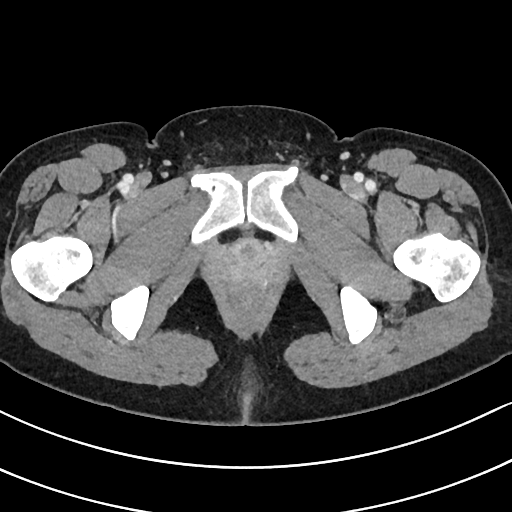

Abdominal CT; axial plane, index 7; 512x512 px; scan has 15 labeled organs (a whole-scan count: organs this slice does not pass through have no box)
Boxes are (x1, y1, x2, y2) in pixels.
prostate/uterus: (212, 238, 281, 277)